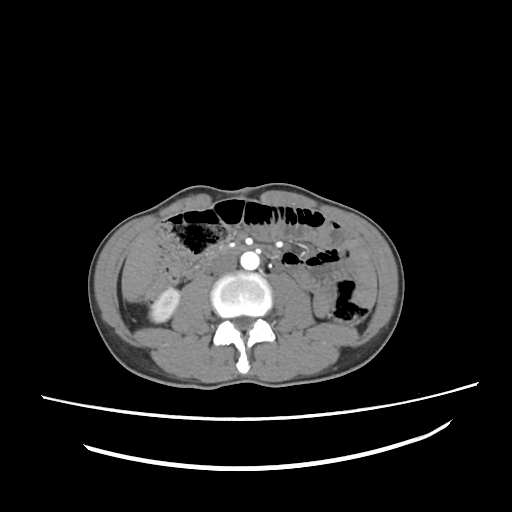
CT, abdomen/pelvis — axial view — soft-tissue window — Aquilion ONE scanner
{"organs":{"right kidney":[149,288,179,322],"liver":[121,231,158,301],"aorta":[240,252,259,269],"inferior vena cava":[210,254,237,275],"duodenum":[186,243,279,277]}}